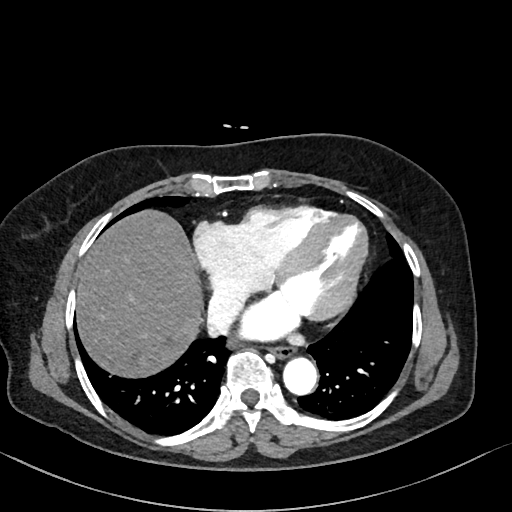 CT abdomen; axial plane, index 201; W/L 400/40 HU; 512x512 px
<organs><organ name="liver" x1="76" y1="208" x2="204" y2="378"/><organ name="aorta" x1="283" y1="355" x2="317" y2="394"/><organ name="esophagus" x1="270" y1="345" x2="292" y2="357"/><organ name="inferior vena cava" x1="206" y1="288" x2="247" y2="337"/></organs>